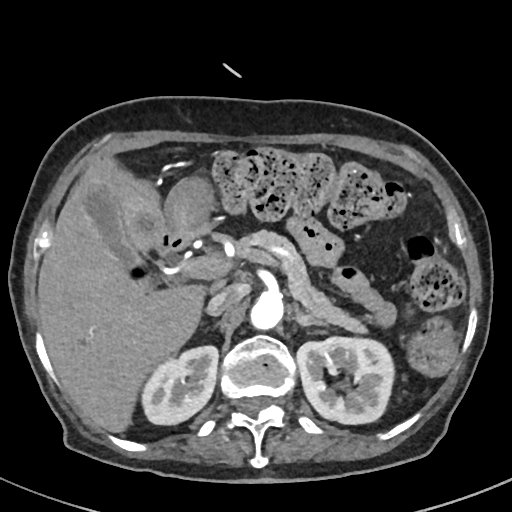

CT, abdomen/pelvis · axial plane, index 149 · W/L 400/40 HU · acquired on SOMATOM Force
Box edges are left/top/right/bottom in pixels.
right kidney: left=141, top=347, right=218, bottom=424
left kidney: left=296, top=335, right=394, bottom=424
gall bladder: left=85, top=184, right=141, bottom=266
liver: left=37, top=154, right=209, bottom=432
stomach: left=164, top=175, right=217, bottom=240
aorta: left=248, top=292, right=283, bottom=331
inferior vena cava: left=205, top=283, right=244, bottom=315
pancreas: left=236, top=231, right=368, bottom=334
left adrenal gland: left=292, top=308, right=327, bottom=325
duodenum: left=158, top=237, right=188, bottom=255